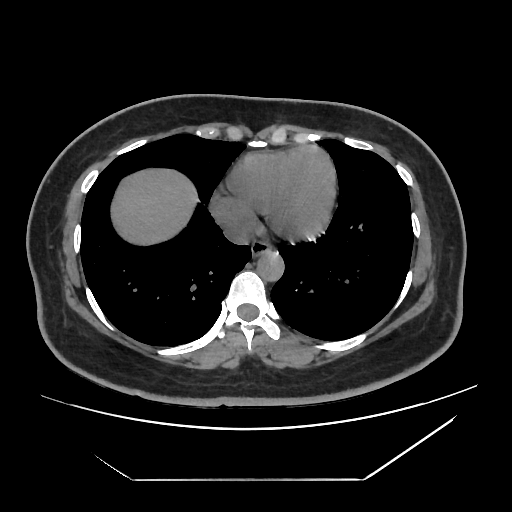

CT, abdomen/pelvis. axial view. 15 organs annotated in this scan (that count is for the whole scan; organs this slice misses have no box)
{"organs":{"esophagus":[252,238,273,255],"liver":[112,169,197,245],"aorta":[257,250,283,279],"inferior vena cava":[224,223,253,245]}}